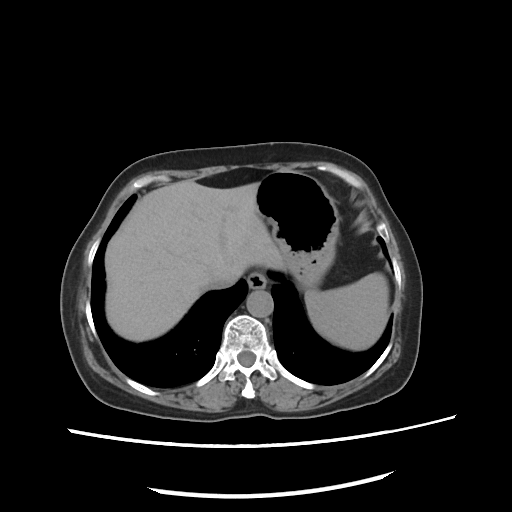

CT, abdomen/pelvis · axial plane, index 78 · soft-tissue window · 512x512 px · acquired on Aquilion ONE
{"organs":{"esophagus":[247,271,269,289],"stomach":[257,171,340,286],"inferior vena cava":[209,274,238,289],"spleen":[306,273,388,350],"aorta":[247,290,273,316],"liver":[105,181,287,341]}}